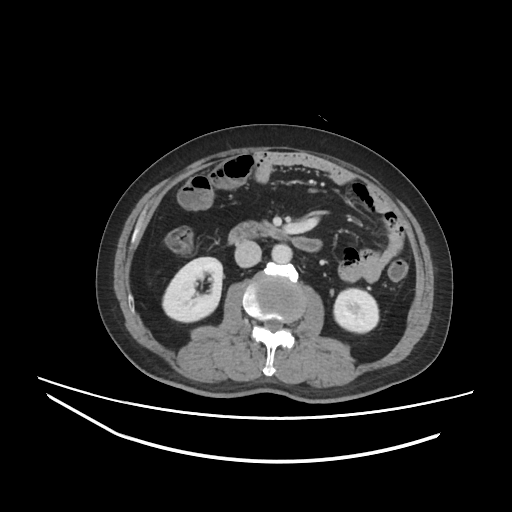

CT abdomen. Axial slice 56/128. 512x512 px. 54-year-old male patient
Organ boxes in pixel coordinates; each row gives the top-left (x1, y1) and bottom-right (x2, y2) corners.
| organ | x1 | y1 | x2 | y2 |
|---|---|---|---|---|
| right kidney | 162 | 257 | 222 | 322 |
| left kidney | 334 | 288 | 378 | 332 |
| aorta | 271 | 244 | 292 | 263 |
| inferior vena cava | 234 | 240 | 261 | 267 |
| duodenum | 228 | 222 | 321 | 251 |